CT, abdomen/pelvis. axial view. soft-tissue window (W 400 / L 40)
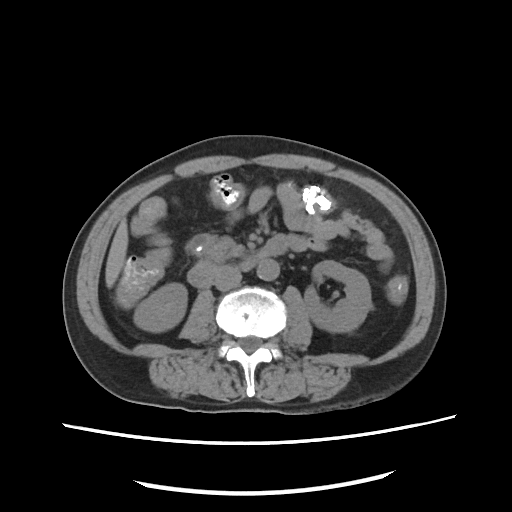 Coordinates as <box>x1,y1,x2,y2</box> in pixels. Labeled organs on this slice: right kidney at <box>134,283,187,331</box>, left kidney at <box>304,260,371,332</box>, liver at <box>105,219,128,287</box>, aorta at <box>257,259,279,280</box>, inferior vena cava at <box>214,266,241,290</box>, pancreas at <box>206,237,245,261</box>, duodenum at <box>187,234,287,287</box>.